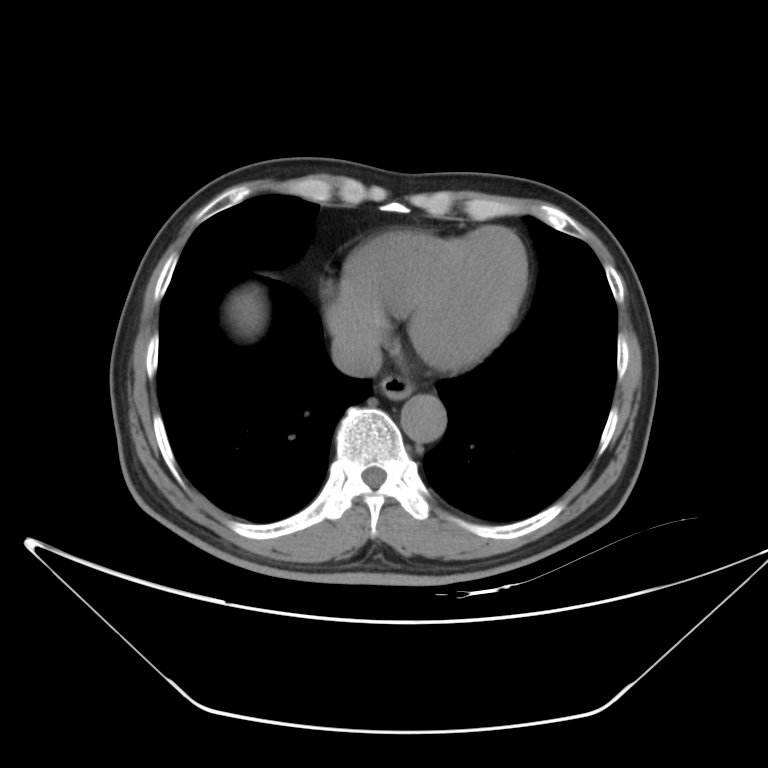

Computed tomography, abdomen — axial plane, index 87 — soft-tissue window
Boxes are (x1, y1, x2, y2) in pixels.
Organ bounding boxes:
- aorta: (401, 394, 445, 441)
- inferior vena cava: (332, 332, 382, 377)
- esophagus: (380, 375, 414, 399)
- liver: (232, 296, 260, 325)